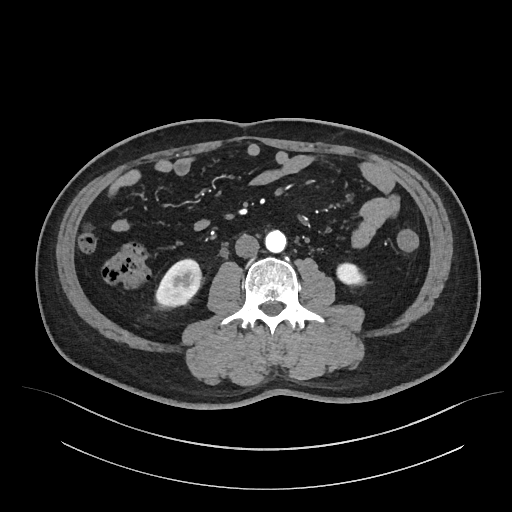
CT, abdomen/pelvis · axial plane, index 133 · soft-tissue window (W 400 / L 40) · 15 organs annotated in this scan (that count is for the whole scan; organs this slice misses have no box)
<organs><organ name="aorta" x1="265" y1="230" x2="286" y2="252"/><organ name="left kidney" x1="337" y1="263" x2="365" y2="284"/><organ name="right kidney" x1="156" y1="259" x2="201" y2="306"/><organ name="inferior vena cava" x1="235" y1="234" x2="259" y2="257"/></organs>